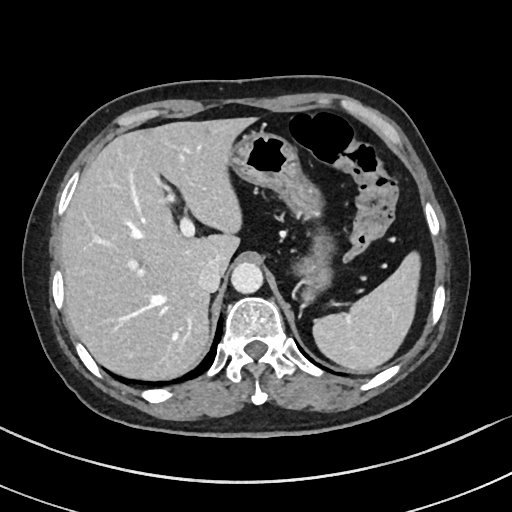

CT abdomen; axial view; soft-tissue window; scan has 14 labeled organs (that count is for the whole scan; organs this slice misses have no box)
Bounding boxes as [x1, y1, x2, y2] in pixel coordinates.
spleen: [312, 252, 420, 372]
liver: [60, 117, 256, 379]
stomach: [230, 130, 334, 303]
aorta: [231, 262, 263, 293]
inferior vena cava: [198, 261, 223, 292]